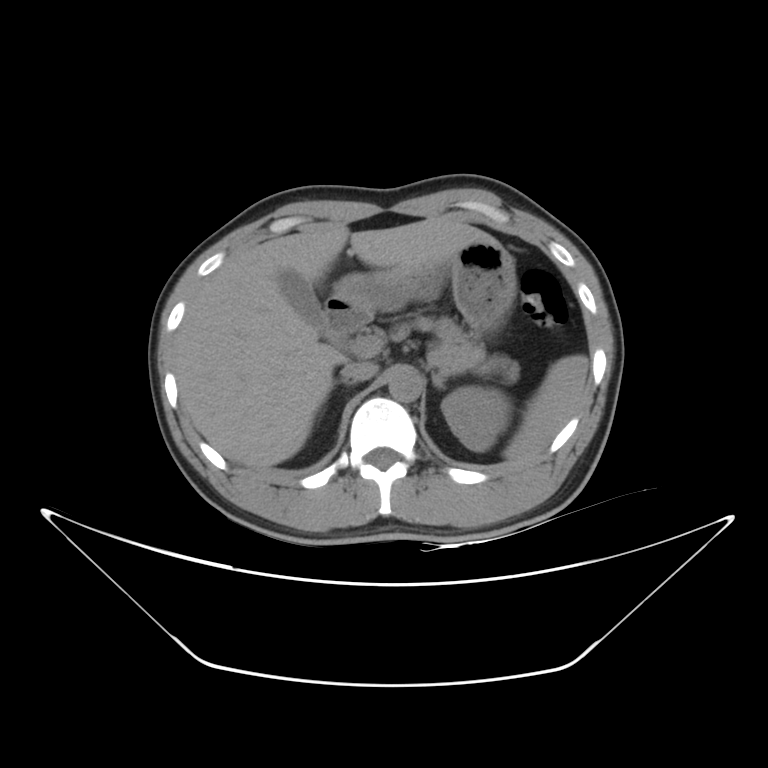 CT, abdomen/pelvis · axial view · 37-year-old male patient · Brilliance16 scanner
{"organs":{"spleen":[503,355,589,460],"right adrenal gland":[330,378,356,390],"aorta":[389,368,421,402],"pancreas":[394,317,519,382],"left adrenal gland":[431,373,446,389],"inferior vena cava":[340,361,377,381],"duodenum":[324,295,371,343],"gall bladder":[279,269,324,334],"stomach":[333,239,516,334],"liver":[173,216,493,467],"left kidney":[442,386,507,451]}}